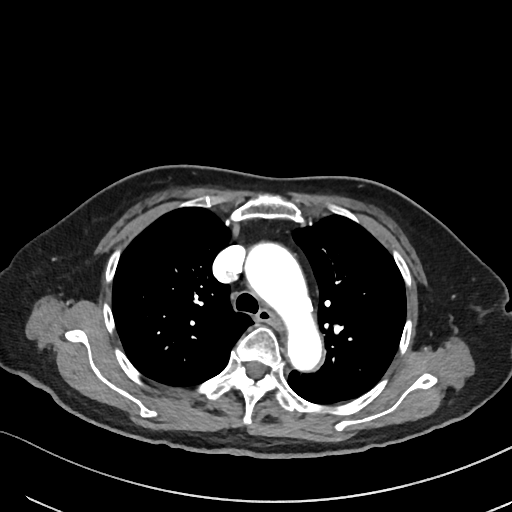

Chest-level CT slice, above the liver and spleen · Axial slice 261/297 · soft-tissue window (W 400 / L 40) · SOMATOM Force scanner · 15 organs annotated in this scan (a whole-scan count: organs this slice does not pass through have no box)
On a slice this high in the chest, this dataset labels only the esophagus and the aorta, and each is boxed only where it is labeled; the heart, lungs and other chest structures are not labeled.
One row per box, in pixels: columns x1 and y1 give the top-left corner, x2 and y2 the bottom-right.
| organ | x1 | y1 | x2 | y2 |
|---|---|---|---|---|
| esophagus | 256 | 309 | 279 | 327 |
| aorta | 245 | 243 | 322 | 371 |